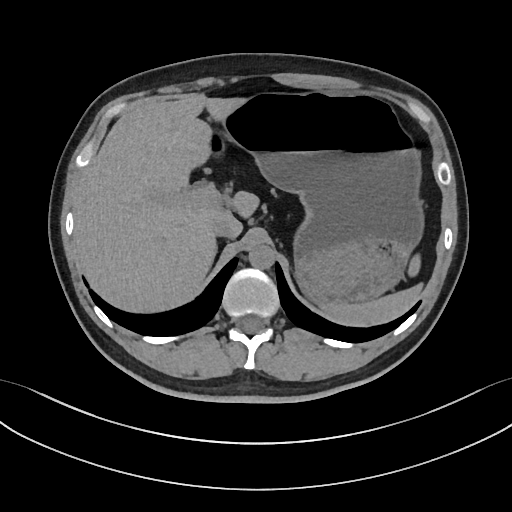 Abdominal CT. Axial slice 182/225
Boxes are (x1, y1, x2, y2) in pixels.
spleen: (323, 254, 422, 326)
liver: (74, 94, 258, 312)
stomach: (210, 92, 423, 303)
aorta: (248, 244, 274, 268)
inferior vena cava: (211, 222, 234, 238)